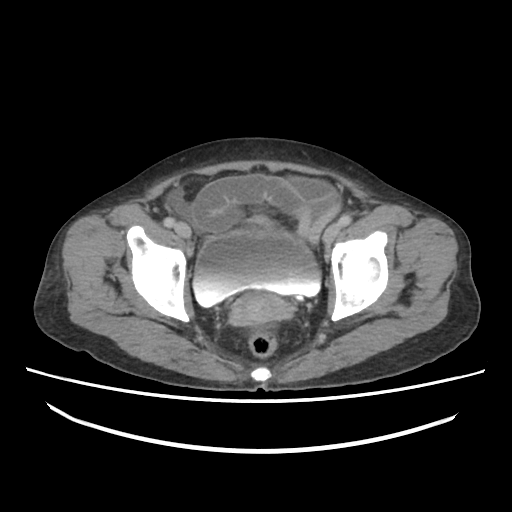 Computed tomography, abdomen — axial view — Aquilion ONE scanner
Bounding boxes as [x1, y1, x2, y2] in pixel coordinates.
prostate/uterus: [233, 292, 287, 325]
bladder: [193, 235, 322, 305]